Abdominal CT; axial view; 15 organs annotated in this scan (counted over the whole 3D scan, not this slice; an organ is boxed only where this slice passes through it)
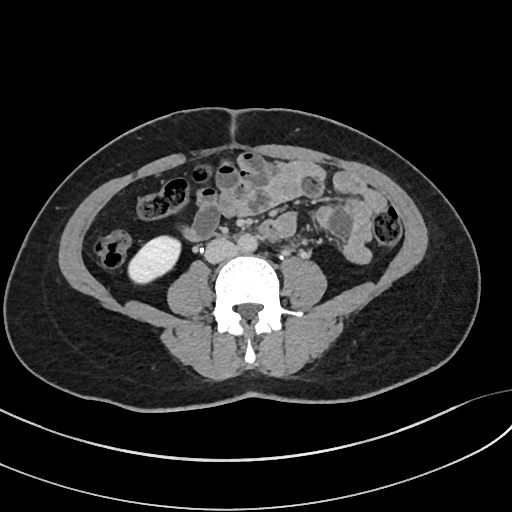

Organ boxes in pixel coordinates; each row gives the top-left (x1, y1) and bottom-right (x2, y2) corners.
| organ | x1 | y1 | x2 | y2 |
|---|---|---|---|---|
| right kidney | 128 | 236 | 180 | 283 |
| aorta | 238 | 234 | 257 | 252 |
| inferior vena cava | 204 | 238 | 237 | 263 |